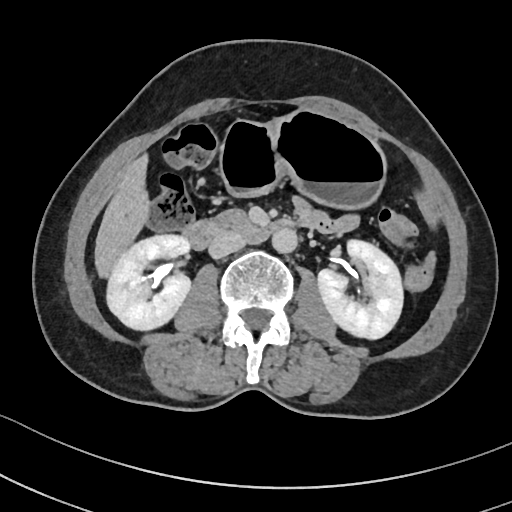 CT abdomen — axial plane, index 114
<organs><organ name="pancreas" x1="235" y1="210" x2="240" y2="211"/><organ name="inferior vena cava" x1="209" y1="230" x2="246" y2="257"/><organ name="stomach" x1="220" y1="112" x2="383" y2="208"/><organ name="left kidney" x1="316" y1="238" x2="404" y2="338"/><organ name="duodenum" x1="185" y1="210" x2="276" y2="249"/><organ name="liver" x1="95" y1="158" x2="147" y2="274"/><organ name="right kidney" x1="105" y1="233" x2="192" y2="329"/><organ name="aorta" x1="271" y1="226" x2="296" y2="251"/></organs>